Computed tomography, abdomen; axial view; soft-tissue window (W 400 / L 40); 512x512 px
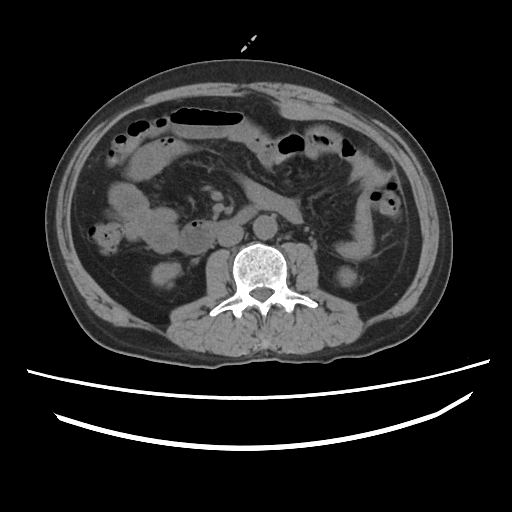

Boxes: x1 y1 x2 y2 (pixel coords, space-separated).
Organ bounding boxes:
- aorta: 253 215 277 239
- right kidney: 151 262 180 283
- left kidney: 337 267 356 286
- inferior vena cava: 217 225 243 246
- duodenum: 178 206 257 253